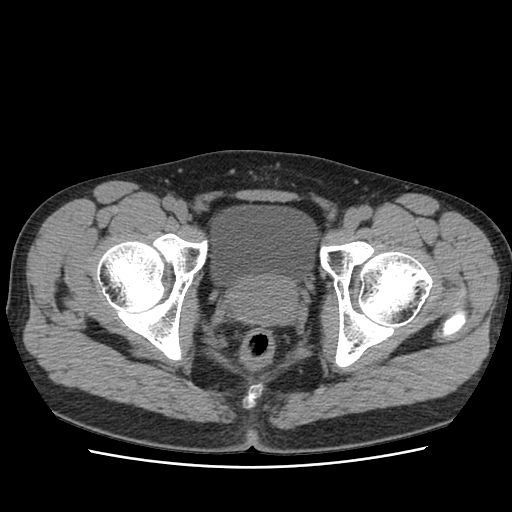 CT, abdomen/pelvis — axial plane, index 25
Boxes: x1 y1 x2 y2 (pixel coords, space-separated).
bladder: 210 208 316 282
prostate/uterus: 226 273 297 325